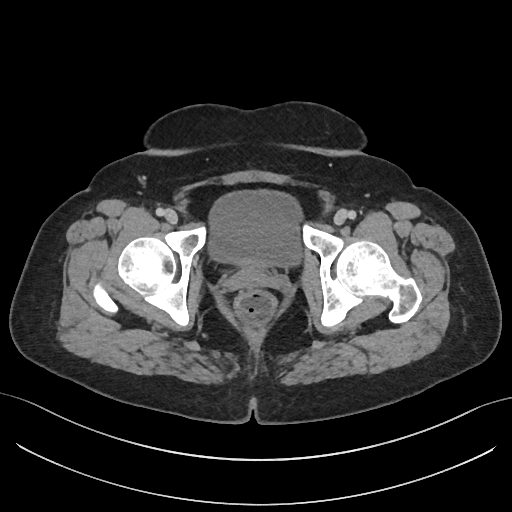

Computed tomography, abdomen · Axial slice 30/305 · SOMATOM Force scanner
<organs><organ name="bladder" x1="206" y1="192" x2="300" y2="266"/></organs>